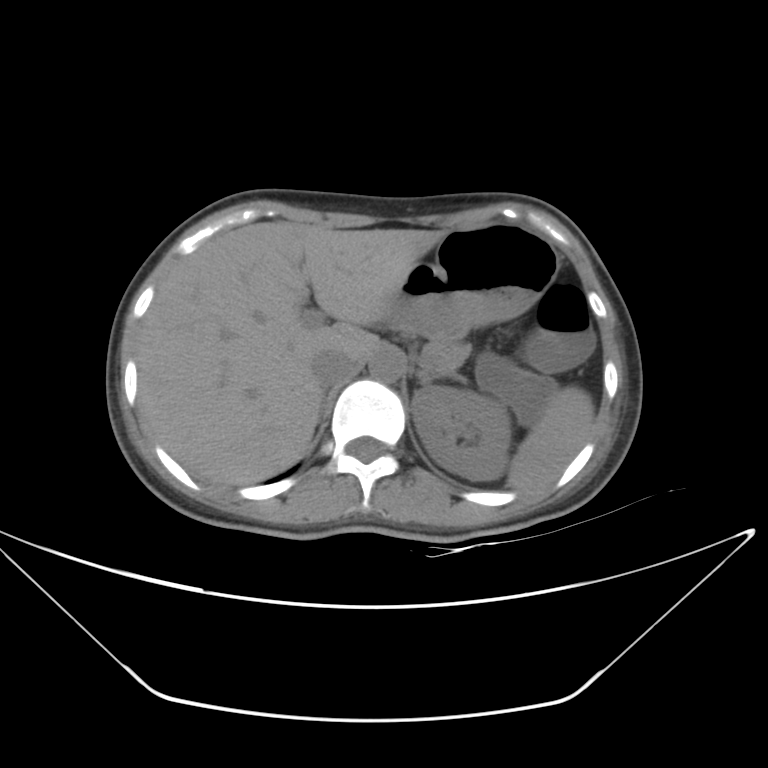
Computed tomography, abdomen — axial view — abdomen soft-tissue window
Bounding boxes in pixels, one row per box: x1, y1 is the top-left corner and x2, y2 the bottom-right.
| organ | x1 | y1 | x2 | y2 |
|---|---|---|---|---|
| spleen | 507 | 387 | 595 | 490 |
| left kidney | 412 | 387 | 510 | 481 |
| liver | 137 | 220 | 441 | 484 |
| stomach | 385 | 223 | 557 | 338 |
| aorta | 369 | 349 | 403 | 382 |
| inferior vena cava | 310 | 349 | 357 | 387 |
| pancreas | 423 | 340 | 469 | 373 |
| left adrenal gland | 416 | 371 | 465 | 386 |